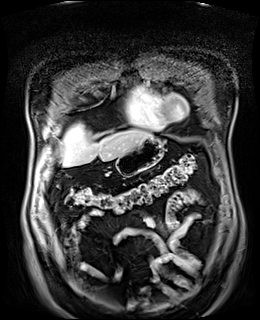 Abdominal MR — coronal plane, index 120
Bounding boxes as [x1, y1, x2, y2] in pixel coordinates.
Organ bounding boxes:
- stomach: [116, 137, 164, 176]
- liver: [63, 124, 152, 166]